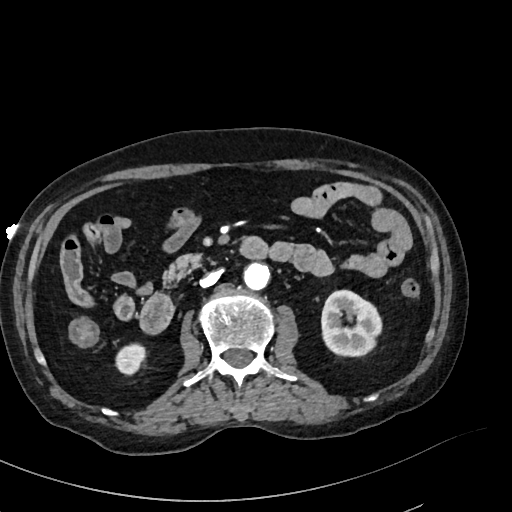

Abdominal CT; axial plane, index 138; 15 organs annotated in this scan (a whole-scan count: organs this slice does not pass through have no box)
{"organs":{"right kidney":[115,343,145,374],"left kidney":[321,290,381,356],"aorta":[243,262,270,290],"inferior vena cava":[200,270,220,287],"pancreas":[164,254,202,281],"duodenum":[140,237,268,331]}}